Chest-level CT slice, above the liver and spleen — axial view — soft-tissue window (W 400 / L 40) — 58-year-old male patient — 15 organs annotated in this scan (that count is for the whole scan; organs this slice misses have no box)
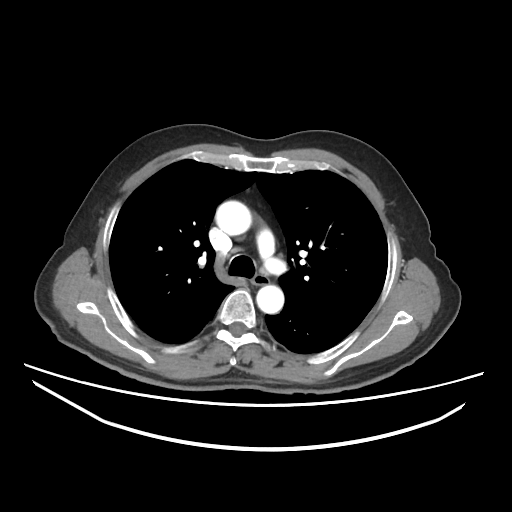 At this level of the chest no structure but the esophagus and the aorta has a label in this dataset, and those two are boxed only where they are labeled.
Bounding boxes as [x1, y1, x2, y2] in pixel coordinates.
esophagus: [252, 276, 268, 285]
aorta: [215, 201, 251, 235]
aorta: [256, 285, 284, 313]